Abdominal CT. axial plane, index 37. soft-tissue window (W 400 / L 40)
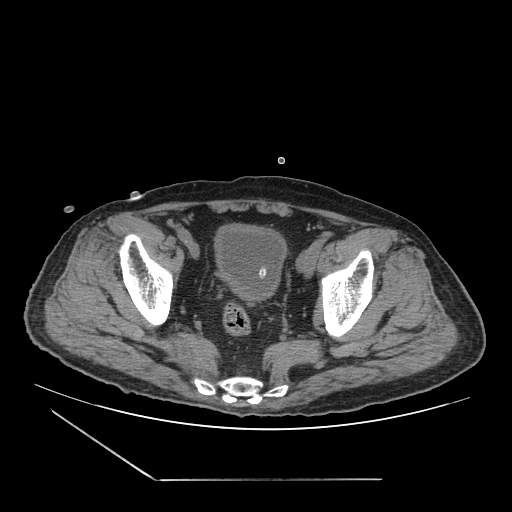
Organ boxes in pixel coordinates; each row gives the top-left (x1, y1) and bottom-right (x2, y2) corners.
| organ | x1 | y1 | x2 | y2 |
|---|---|---|---|---|
| bladder | 214 | 223 | 287 | 303 |